CT abdomen — axial view — soft-tissue window (W 400 / L 40)
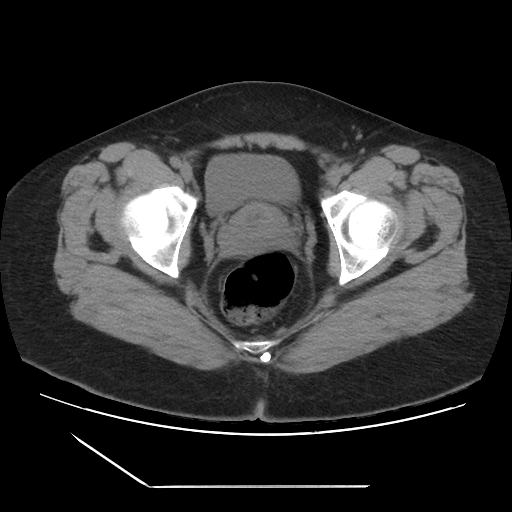 Boxes: x1 y1 x2 y2 (pixel coords, space-separated).
bladder: 205 155 299 215
prostate/uterus: 222 202 288 251